CT, abdomen/pelvis · axial view · 768x768 px · acquired on Brilliance16
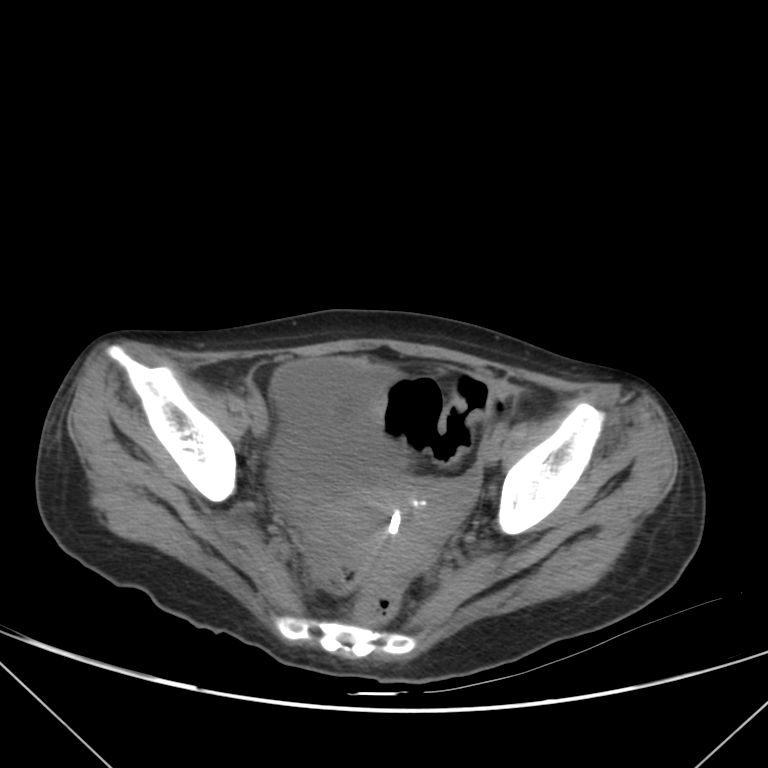 Organ boxes in pixel coordinates; each row gives the top-left (x1, y1) and bottom-right (x2, y2) corners.
| organ | x1 | y1 | x2 | y2 |
|---|---|---|---|---|
| bladder | 271 | 357 | 407 | 503 |
| prostate/uterus | 331 | 476 | 470 | 574 |